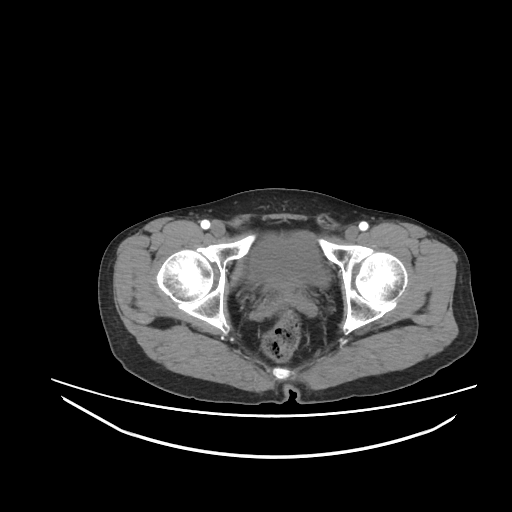
Abdominal CT. axial view. abdomen soft-tissue window. 52-year-old male patient
{"organs":{"bladder":[249,232,328,285],"prostate/uterus":[269,281,298,298]}}